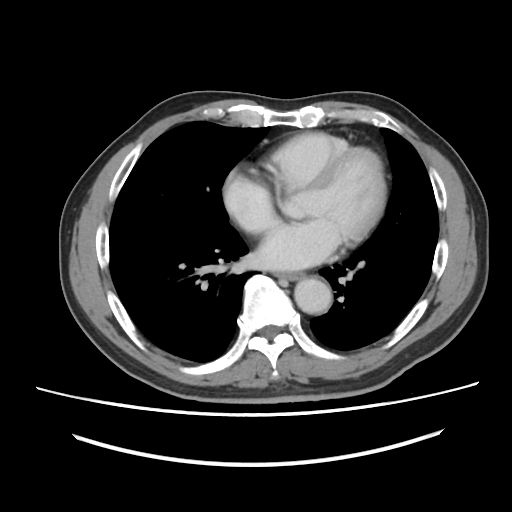

Lower-chest slice from an abdominal CT, just above the liver and spleen. axial view. soft-tissue window, W/L 400/40. 512x512 px. 58-year-old male patient. scan has 14 labeled organs (a whole-scan count: organs this slice does not pass through have no box)
Of the structures in the chest, this dataset labels only the esophagus, the aorta and the inferior vena cava; the heart and lungs have no label.
{"organs":{"esophagus":[277,273,302,280],"aorta":[294,278,331,314]}}